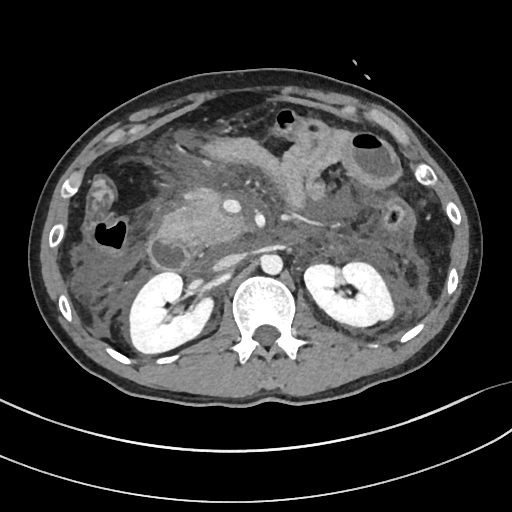

Abdominal CT — axial plane, index 155
One row per box, in pixels: columns x1 and y1 give the top-left corner, x2 and y2 the bottom-right.
| organ | x1 | y1 | x2 | y2 |
|---|---|---|---|---|
| right kidney | 128 | 272 | 213 | 355 |
| left kidney | 305 | 262 | 395 | 326 |
| aorta | 260 | 254 | 282 | 274 |
| inferior vena cava | 213 | 253 | 242 | 271 |
| pancreas | 158 | 188 | 246 | 248 |
| duodenum | 149 | 237 | 202 | 271 |